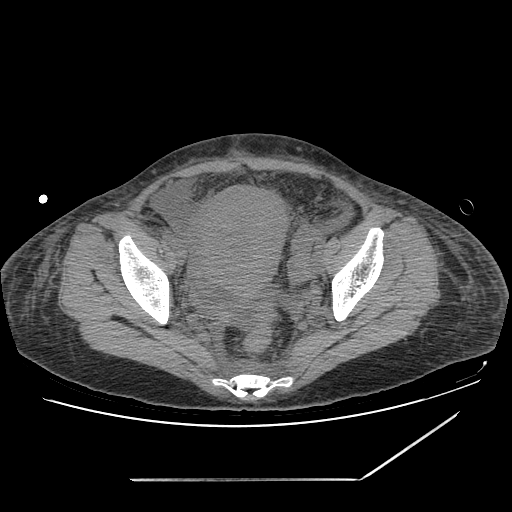

Computed tomography, abdomen; axial plane, index 34; soft-tissue window (W 400 / L 40); scan has 15 labeled organs (counted over the whole 3D scan, not this slice; an organ is boxed only where this slice passes through it)
Boxes: x1 y1 x2 y2 (pixel coords, space-separated).
prostate/uterus: 196 185 286 296